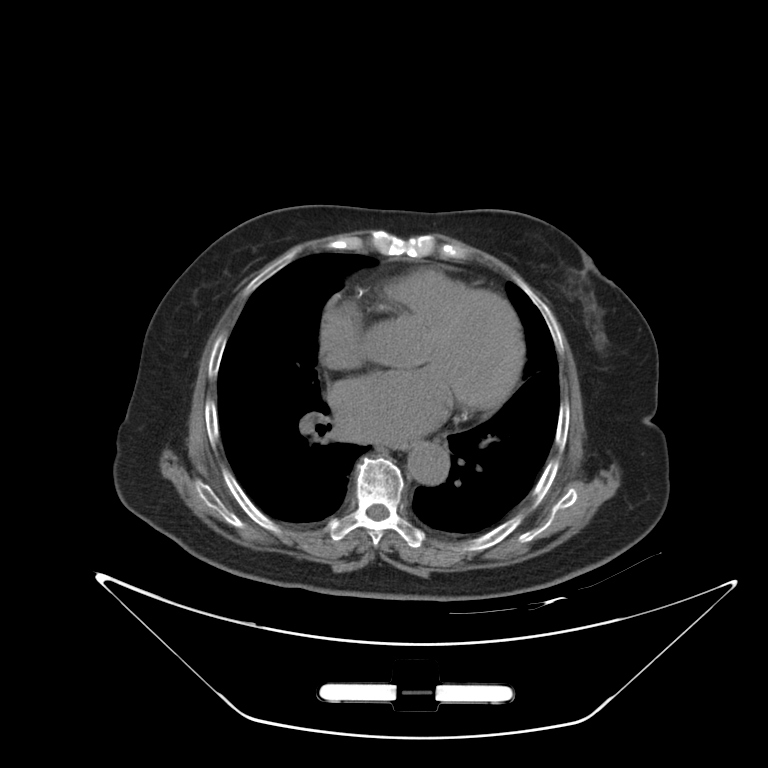

Lower-chest slice from an abdominal CT, just above the liver and spleen · axial view · 768x768 px
No part of the heart or lungs is labeled in this dataset, so neither has a box here.
{"organs":{"esophagus":[388,441,414,451],"aorta":[407,442,449,485]}}